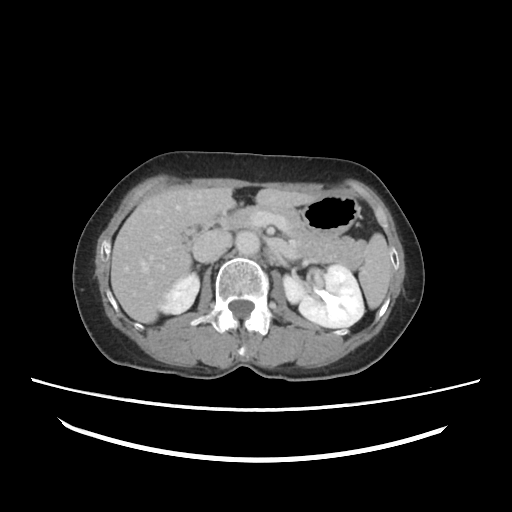

Abdominal CT · axial view · 512x512 px
{"organs":{"liver":[111,187,322,323],"pancreas":[227,205,367,272],"left kidney":[236,230,363,327],"inferior vena cava":[193,230,231,260],"right kidney":[161,271,200,314],"spleen":[358,232,392,308],"duodenum":[186,217,227,246],"aorta":[235,237,259,254],"right adrenal gland":[196,263,201,271],"stomach":[303,194,358,234]}}